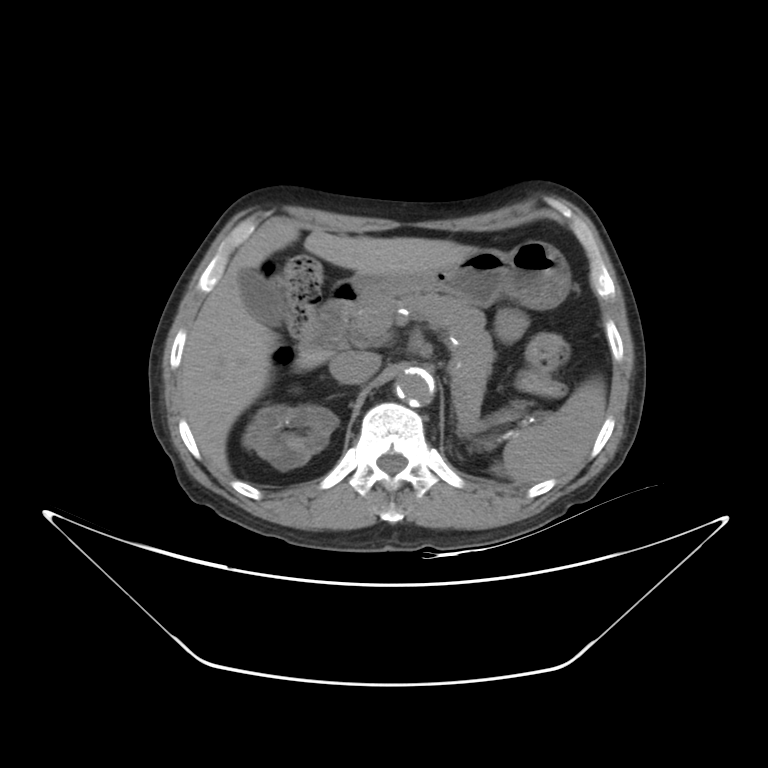
CT abdomen; Axial slice 76/94; abdomen soft-tissue window; 59-year-old male patient
Bounding boxes as [x1, y1, x2, y2] in pixel coordinates. Labeled organs on this slice: spleen at [493, 377, 606, 483], right kidney at [242, 404, 336, 469], gall bladder at [238, 269, 283, 326], liver at [180, 225, 475, 474], stomach at [336, 241, 570, 309], aorta at [395, 368, 434, 406], inferior vena cava at [329, 351, 380, 384], pancreas at [350, 293, 494, 431], duodenum at [298, 284, 358, 355].